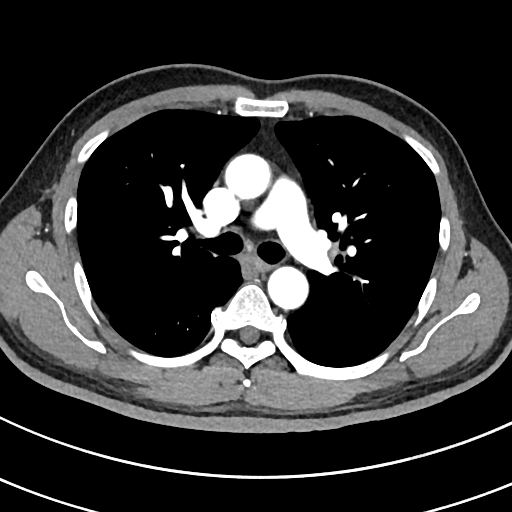 Chest-level CT slice, above the liver and spleen. Axial slice 245/302
At this level of the chest this dataset labels only the esophagus and the aorta, and each is boxed only where it is labeled; the heart and lungs are never labeled. Box edges are left/top/right/bottom in pixels. The annotated organs in this slice are: aorta at left=224, top=154, right=270, bottom=199, aorta at left=268, top=268, right=309, bottom=309, esophagus at left=245, top=257, right=270, bottom=274.